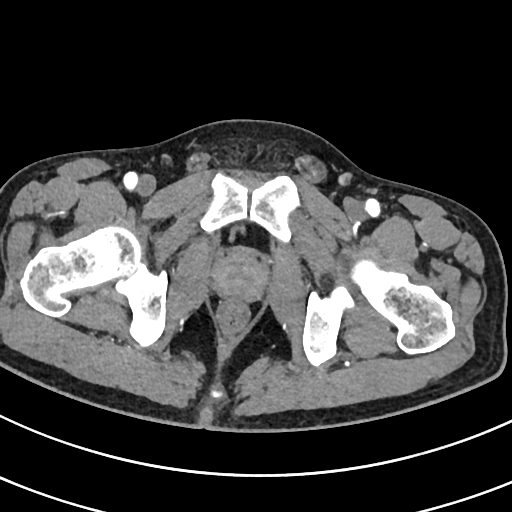

Abdominal CT · axial view
<organs><organ name="prostate/uterus" x1="214" y1="251" x2="265" y2="299"/></organs>